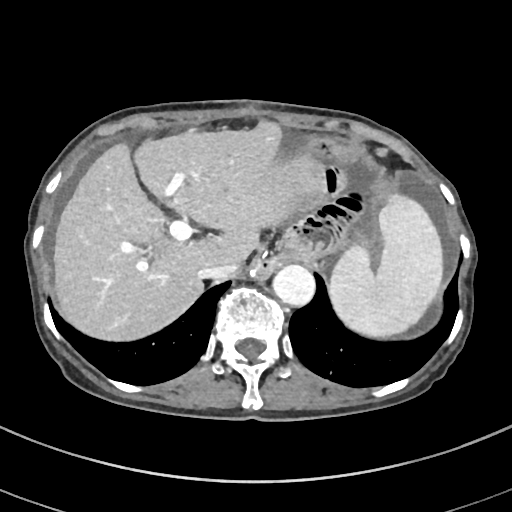
Computed tomography, abdomen — axial plane, index 155 — soft-tissue window — 512x512 px — scan has 14 labeled organs (that count is for the whole scan; organs this slice misses have no box)
<organs><organ name="spleen" x1="330" y1="193" x2="443" y2="335"/><organ name="liver" x1="54" y1="120" x2="324" y2="339"/><organ name="aorta" x1="273" y1="265" x2="315" y2="307"/><organ name="inferior vena cava" x1="199" y1="262" x2="236" y2="280"/></organs>